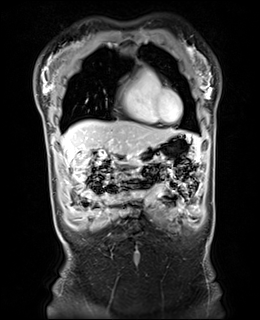

Abdominal MRI. coronal view. 1st–99th percentile window. scan has 13 labeled organs (counted over the whole 3D scan, not this slice; an organ is boxed only where this slice passes through it)
Boxes are (x1, y1, x2, y2) in pixels. The annotated organs in this slice are: duodenum at (111, 153, 121, 160), stomach at (116, 133, 201, 165), liver at (62, 120, 181, 160).